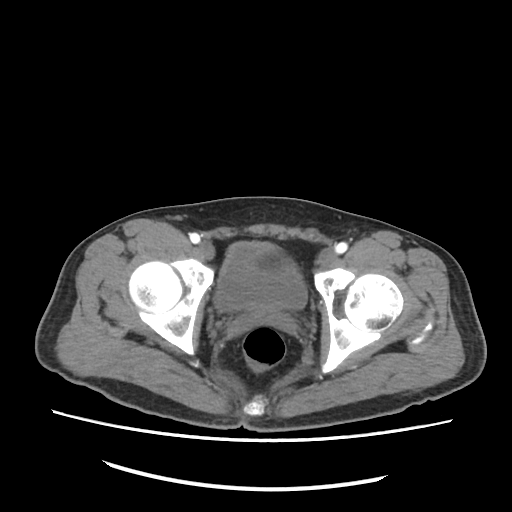 Abdominal CT; axial plane, index 18; abdomen soft-tissue window; 54-year-old male patient; 15 organs annotated in this scan (counted over the whole 3D scan, not this slice; an organ is boxed only where this slice passes through it)
Coordinates as <box>x1,y1,x2,y2</box> in pixels. The annotated organs in this slice are: bladder at <box>216,242,306,309</box>.